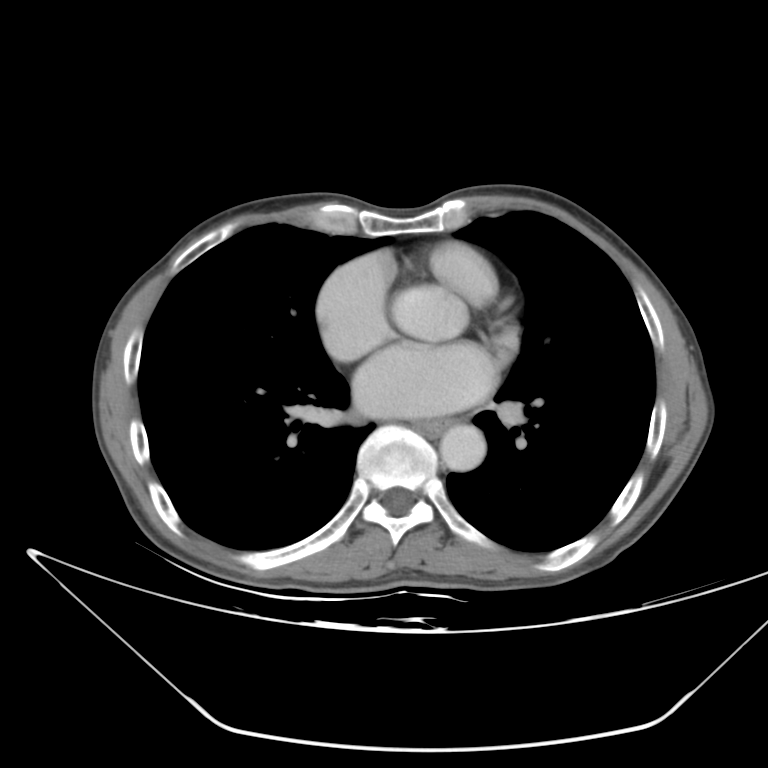

CT of the abdomen extending into the chest, slice through the chest. axial view
On a slice this high in the chest, this dataset labels only the esophagus and the aorta, and each is boxed only where it is labeled; the heart, lungs and other chest structures are not labeled.
Boxes are (x1, y1, x2, y2) in pixels.
aorta: (438, 426, 485, 468)
esophagus: (413, 418, 459, 437)